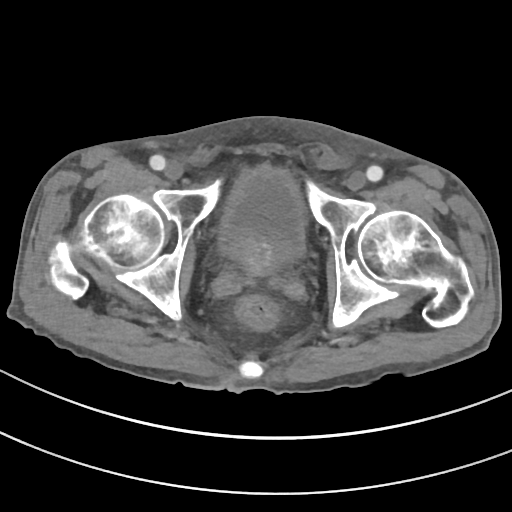 CT, abdomen/pelvis · axial view · soft-tissue window (W 400 / L 40) · 512x512 px
Boxes: x1 y1 x2 y2 (pixel coords, space-separated). 2 labeled organs on this slice — bladder at 216 166 305 259; prostate/uterus at 229 237 285 275.